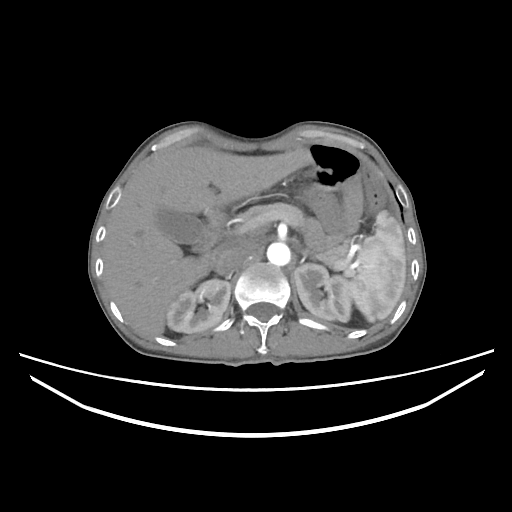 CT, abdomen/pelvis — axial plane, index 62 — acquired on Aquilion ONE — scan has 14 labeled organs (counted over the whole 3D scan, not this slice; an organ is boxed only where this slice passes through it)
<organs><organ name="spleen" x1="348" y1="211" x2="406" y2="322"/><organ name="right kidney" x1="166" y1="279" x2="230" y2="333"/><organ name="left kidney" x1="293" y1="263" x2="351" y2="321"/><organ name="gall bladder" x1="155" y1="207" x2="205" y2="244"/><organ name="liver" x1="102" y1="147" x2="312" y2="337"/><organ name="aorta" x1="266" y1="242" x2="290" y2="265"/><organ name="inferior vena cava" x1="212" y1="243" x2="249" y2="275"/><organ name="pancreas" x1="242" y1="202" x2="347" y2="268"/><organ name="left adrenal gland" x1="301" y1="249" x2="314" y2="262"/><organ name="duodenum" x1="197" y1="211" x2="224" y2="266"/></organs>